Abdominal CT · Axial slice 87/97 · W/L 400/40 HU · 512x512 px
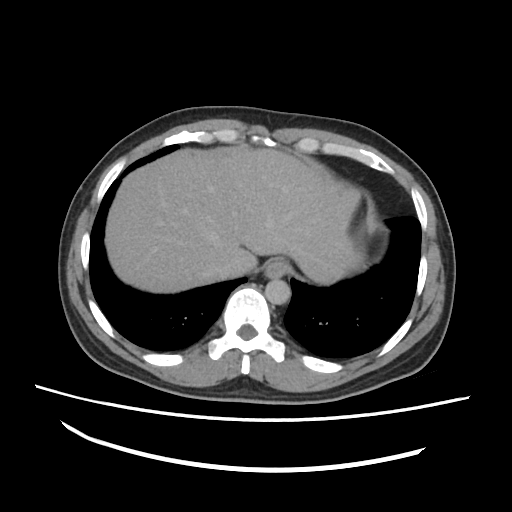
Bounding boxes as [x1, y1, x2, y2] in pixel coordinates.
Organ bounding boxes:
- esophagus: [264, 257, 290, 277]
- liver: [105, 148, 360, 293]
- aorta: [264, 278, 290, 304]
- inferior vena cava: [211, 255, 238, 281]